Computed tomography, abdomen; axial view; soft-tissue window; 768x768 px
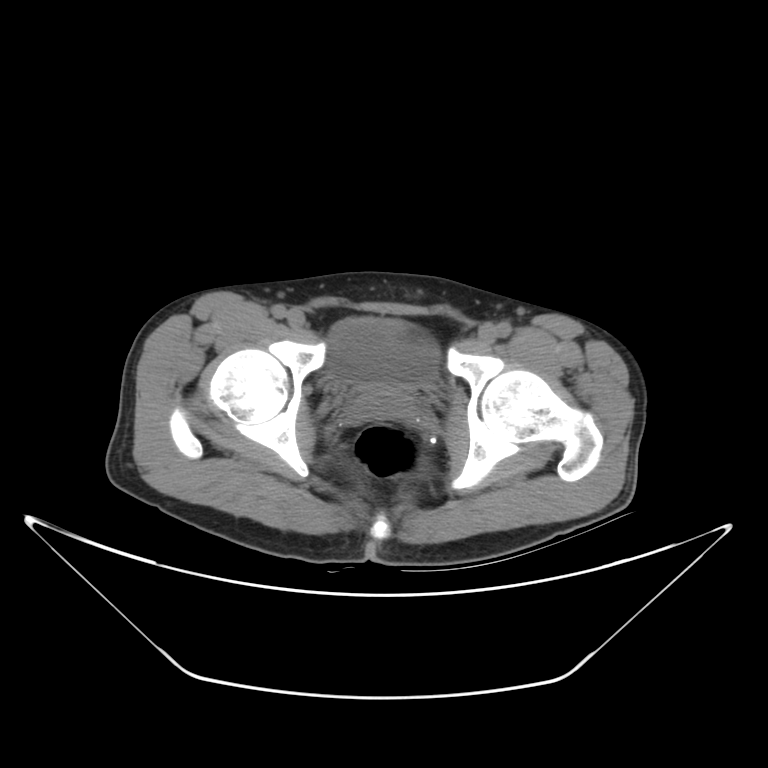 Box edges are left/top/right/bottom in pixels. Labeled organs on this slice: prostate/uterus at left=361, top=382, right=409, bottom=411, bladder at left=323, top=315, right=439, bottom=385.